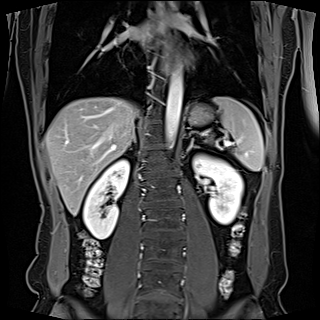 MRI, abdomen. Coronal slice 27/60. 320x320 px. 13 organs annotated in this scan (counted over the whole 3D scan, not this slice; an organ is boxed only where this slice passes through it)
Bounding boxes as [x1, y1, x2, y2] in pixel coordinates.
spleen: [206, 97, 263, 170]
left adrenal gland: [186, 138, 199, 154]
stomach: [187, 103, 213, 125]
right kidney: [83, 159, 129, 238]
right adrenal gland: [129, 138, 137, 148]
left kidney: [193, 155, 243, 224]
aorta: [165, 66, 183, 147]
esophagus: [162, 21, 172, 74]
esophagus: [162, 1, 169, 17]
liver: [45, 97, 138, 215]